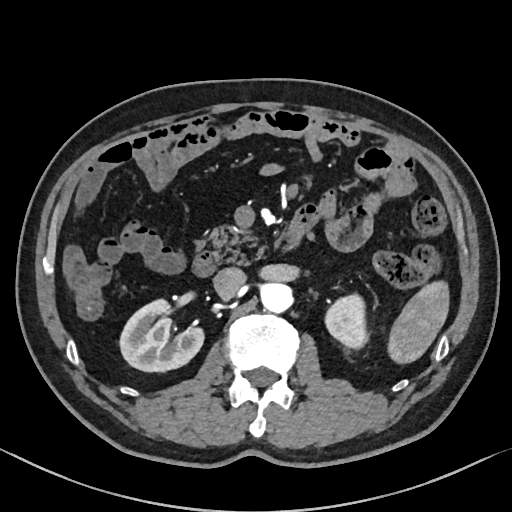

Computed tomography, abdomen; axial view; W/L 400/40 HU; 512x512 px; acquired on SOMATOM Force
Boxes: x1:y1:x2:y2 in pixels. 7 labeled organs on this slice — spleen at 389:283:448:361; right kidney at 119:297:202:371; left kidney at 323:295:368:351; aorta at 260:282:292:312; inferior vena cava at 212:267:245:297; pancreas at 206:226:261:262; duodenum at 192:250:220:277.